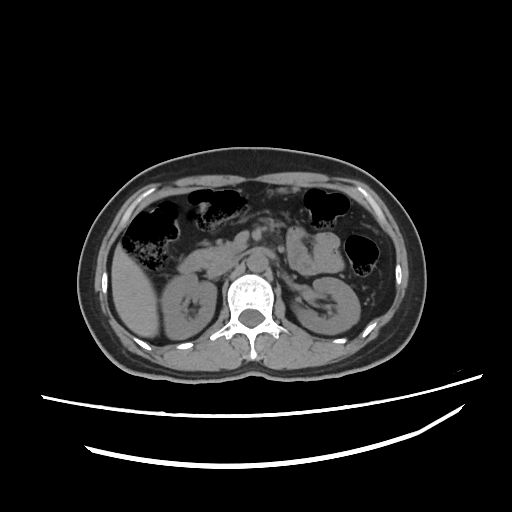
CT abdomen. Axial slice 68/93. 512x512 px
{"organs":{"right kidney":[161,274,216,340],"left kidney":[295,277,360,333],"liver":[111,244,158,337],"aorta":[248,252,267,270],"inferior vena cava":[205,258,234,277],"pancreas":[211,243,248,265],"duodenum":[179,249,211,275]}}